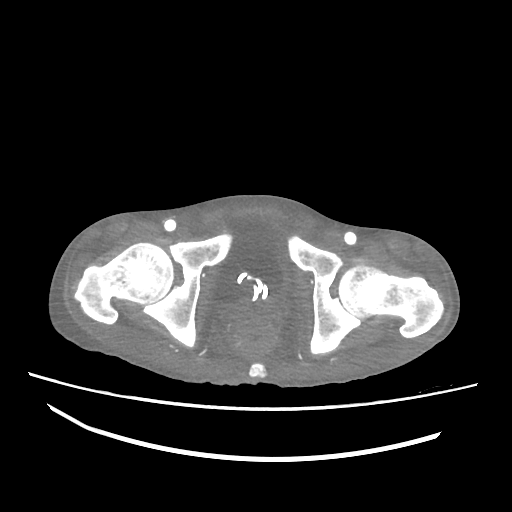
CT, abdomen/pelvis; axial view
Box edges are left/top/right/bottom in pixels.
bladder: left=211, top=210, right=281, bottom=306
prostate/uterus: left=239, top=300, right=269, bottom=317